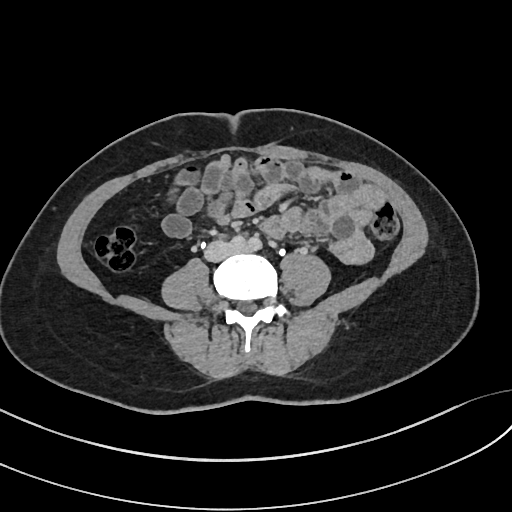 CT abdomen. Axial slice 111/219. abdomen soft-tissue window. scan has 15 labeled organs (that count is for the whole scan; organs this slice misses have no box)
Box edges are left/top/right/bottom in pixels.
Organ bounding boxes:
- inferior vena cava: left=204, top=240, right=236, bottom=261